CT of the abdomen reaching into the lower chest, slice just above the liver and spleen; Axial slice 92/128; 54-year-old male patient; acquired on Aquilion ONE
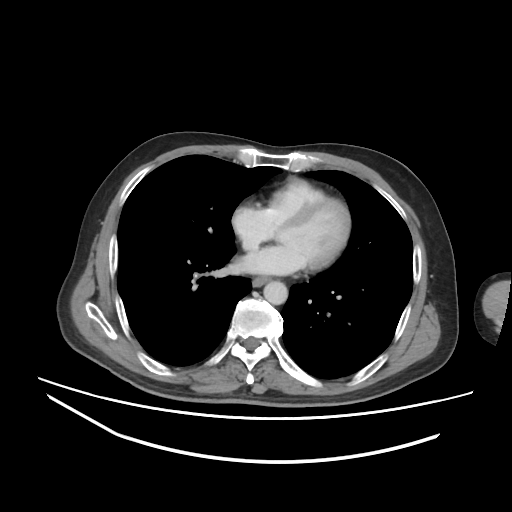 Of the structures in the chest, this dataset labels only the esophagus, the aorta and the inferior vena cava; the heart and lungs have no label.
Boxes: x1:y1:x2:y2 in pixels.
aorta: 263:281:287:304
esophagus: 252:276:270:286